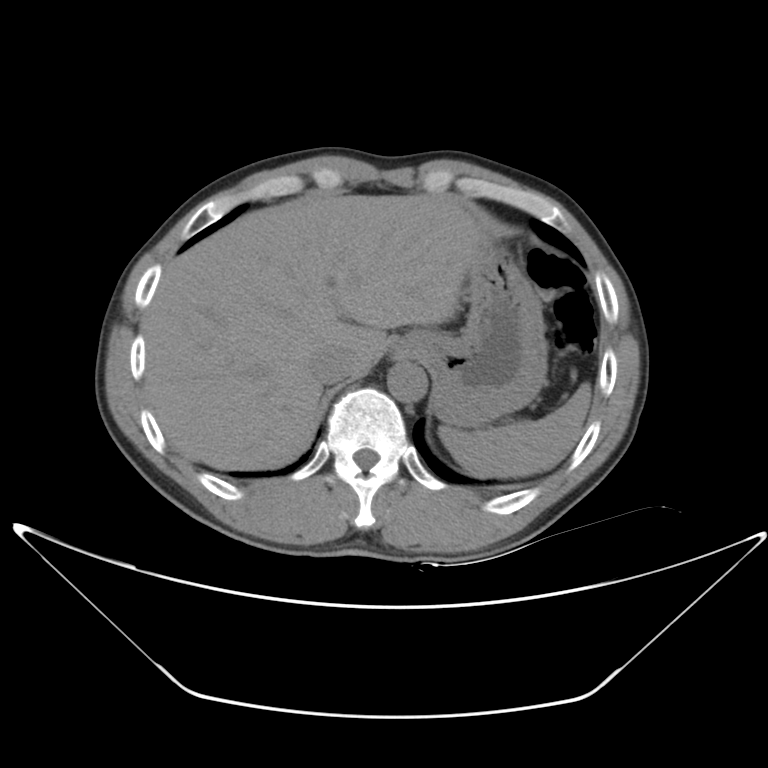
Computed tomography, abdomen — axial view — abdomen soft-tissue window
One row per box, in pixels: columns x1 and y1 give the top-left corner, x2 and y2 the bottom-right.
| organ | x1 | y1 | x2 | y2 |
|---|---|---|---|---|
| spleen | 439 | 384 | 589 | 478 |
| aorta | 387 | 360 | 426 | 402 |
| stomach | 400 | 227 | 548 | 426 |
| liver | 143 | 192 | 482 | 470 |
| inferior vena cava | 312 | 347 | 352 | 383 |